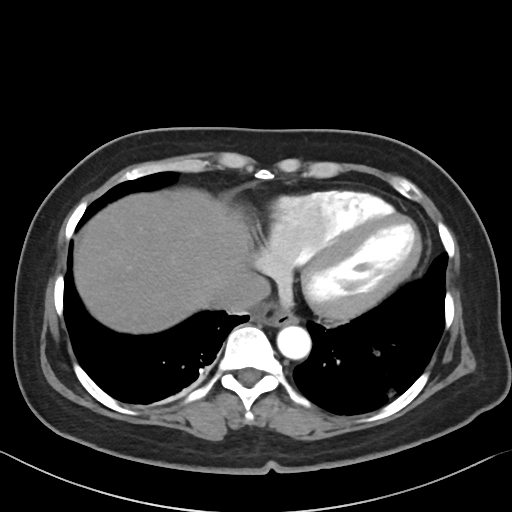

Computed tomography, abdomen; axial view; 512x512 px; scan has 15 labeled organs (counted over the whole 3D scan, not this slice; an organ is boxed only where this slice passes through it)
Boxes: x1:y1:x2:y2 in pixels. 4 labeled organs on this slice — esophagus at 275:308:298:326; liver at 73:188:250:333; aorta at 277:325:311:359; inferior vena cava at 216:272:270:312.